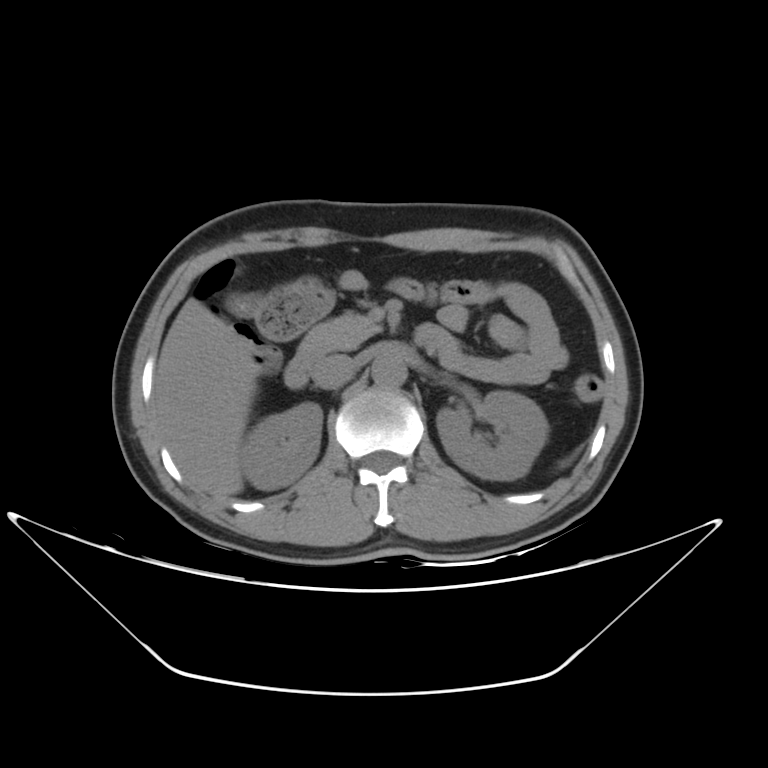 Abdominal CT · axial view · abdomen soft-tissue window · 768x768 px
Box edges are left/top/right/bottom in pixels. The annotated organs in this slice are: spleen at left=560, top=447, right=579, bottom=467, right kidney at left=241, top=403, right=322, bottom=488, left kidney at left=437, top=392, right=546, bottom=479, liver at left=154, top=296, right=255, bottom=496, aorta at left=372, top=352, right=407, bottom=385, inferior vena cava at left=311, top=352, right=356, bottom=390, pancreas at left=326, top=314, right=382, bottom=349, duodenum at left=287, top=323, right=340, bottom=387.